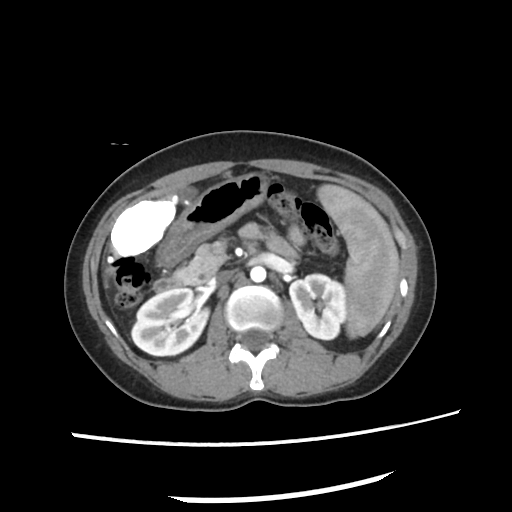 CT abdomen. axial view. abdomen soft-tissue window. 512x512 px
Boxes: x1 y1 x2 y2 (pixel coords, space-separated).
Organ bounding boxes:
- left kidney: 290 273 345 338
- liver: 108 194 179 259
- inferior vena cava: 216 270 232 281
- aorta: 249 267 266 283
- pancreas: 175 243 227 284
- stomach: 157 172 267 267
- gall bladder: 180 186 198 203
- duodenum: 153 278 198 290
- right kidney: 132 289 210 356
- spleen: 316 184 398 338